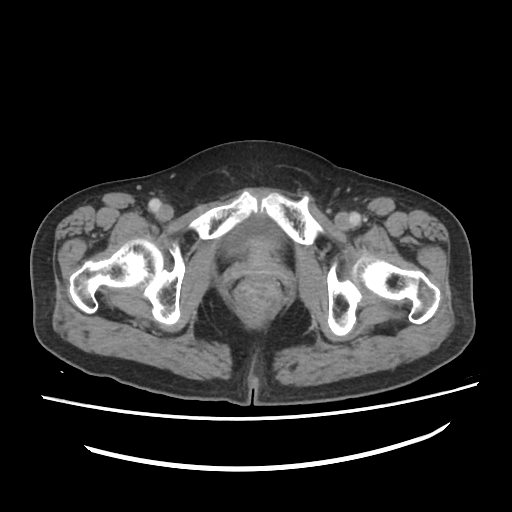
Computed tomography, abdomen · Axial slice 14/128 · 512x512 px · Aquilion ONE scanner
{"organs":{"bladder":[224,217,282,249]}}